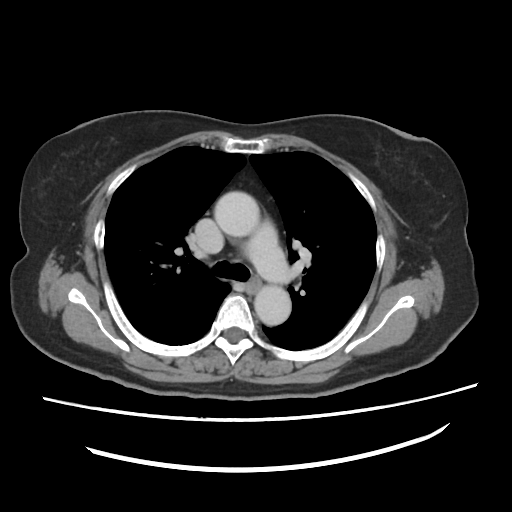

Abdominal CT reaching into the chest; this slice is in the chest. Axial slice 107/128. soft-tissue window. 61-year-old female patient. scan has 14 labeled organs (that count is for the whole scan; organs this slice misses have no box)
At this level of the chest this dataset labels only the esophagus and the aorta, and each is boxed only where it is labeled; the heart and lungs are never labeled.
Each box given as x1,y1,x2,y2.
Organ bounding boxes:
- esophagus: x1=246, y1=276, x2=261, y2=294
- aorta: x1=213, y1=193, x2=259, y2=238
- aorta: x1=253, y1=286, x2=289, y2=325